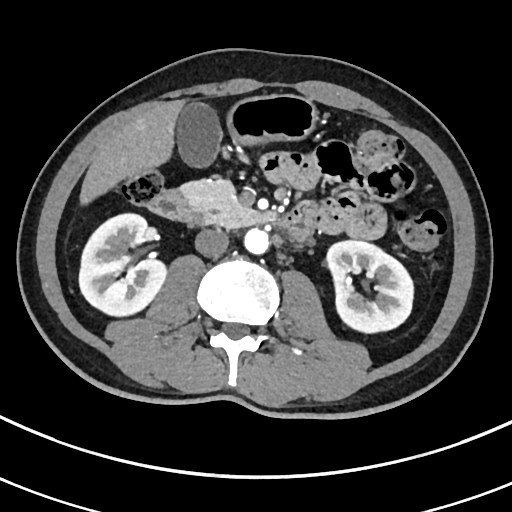
Abdominal CT — axial plane, index 122 — W/L 400/40 HU — SOMATOM Force scanner
Coordinates as <box>x1,y1,x2,y2</box> in pixels. 9 labeled organs on this slice — right kidney at <box>79,214,168,318</box>; left kidney at <box>328,242,415,334</box>; gall bladder at <box>177,103,222,168</box>; liver at <box>79,99,187,205</box>; stomach at <box>224,93,320,148</box>; aorta at <box>243,228,270,254</box>; inferior vena cava at <box>193,228,228,256</box>; pancreas at <box>179,177,268,228</box>; duodenum at <box>146,188,315,240</box>.